Computed tomography, abdomen; axial plane, index 51; 512x512 px
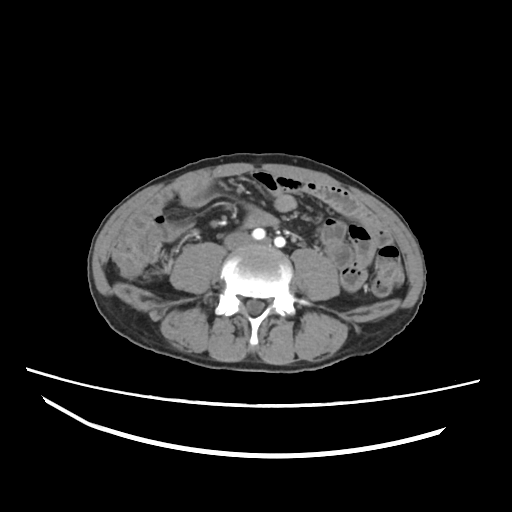 Bounding boxes as [x1, y1, x2, y2] in pixel coordinates. The annotated organs in this slice are: inferior vena cava at [225, 233, 248, 247].